Computed tomography, abdomen — axial view — soft-tissue window (W 400 / L 40) — 512x512 px — 15 organs annotated in this scan (a whole-scan count: organs this slice does not pass through have no box)
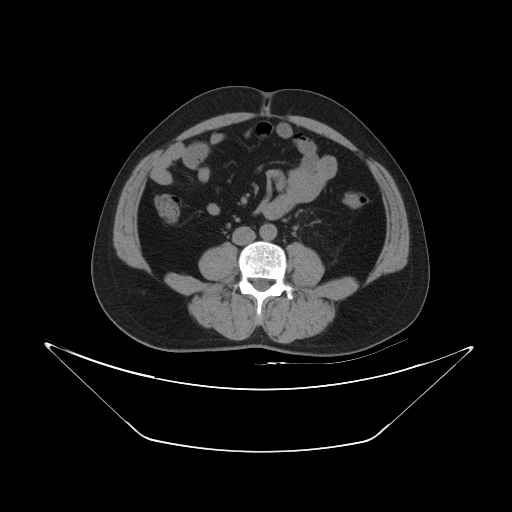 Organ boxes in pixel coordinates; each row gives the top-left (x1, y1) and bottom-right (x2, y2) corners.
| organ | x1 | y1 | x2 | y2 |
|---|---|---|---|---|
| inferior vena cava | 232 | 226 | 255 | 244 |
| aorta | 260 | 223 | 276 | 239 |